Abdominal CT; this slice is in the lower chest, just above the liver; axial plane, index 193; SOMATOM Force scanner; scan has 15 labeled organs (a whole-scan count: organs this slice does not pass through have no box)
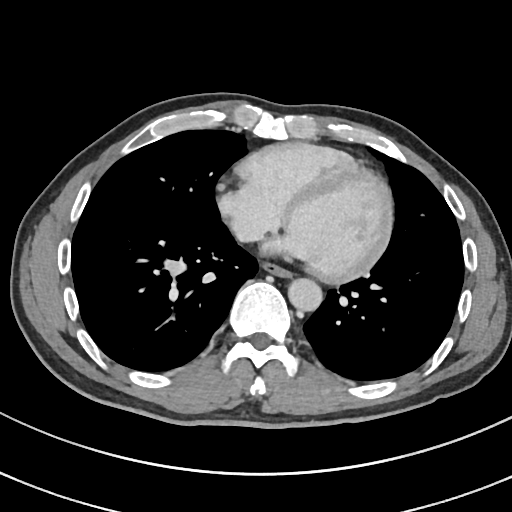 No part of the heart or lungs is labeled in this dataset, so neither has a box here.
{"organs":{"esophagus":[263,263,291,277],"aorta":[287,278,322,311],"inferior vena cava":[234,222,250,238]}}